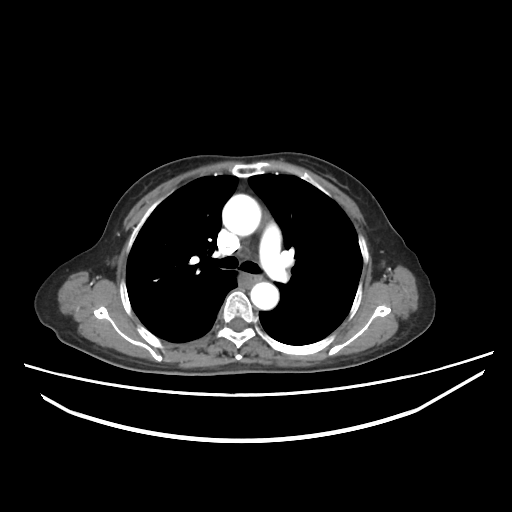
Chest-level slice from an abdominal CT that extends up into the chest. Axial slice 105/122. soft-tissue window. 512x512 px
At this level of the chest no structure but the esophagus and the aorta has a label in this dataset, and those two are boxed only where they are labeled. Coordinates as <box>x1,y1,x2,y2</box> in pixels. Labeled organs on this slice: aorta at <box>222,195,261,237</box>, aorta at <box>251,282,279,310</box>.